Computed tomography, abdomen. axial plane, index 43. abdomen soft-tissue window
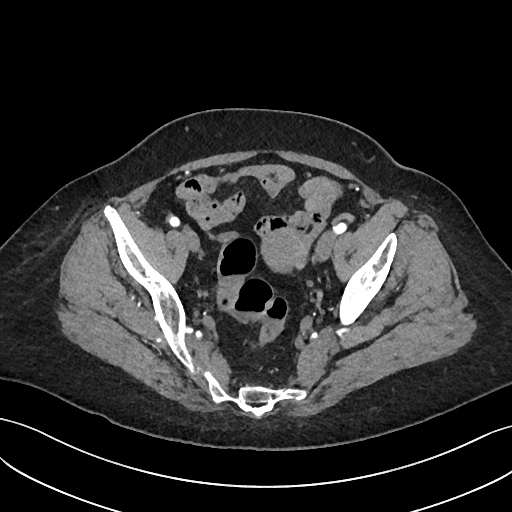

Boxes: x1:y1:x2:y2 in pixels.
prostate/uterus: 263:229:305:270